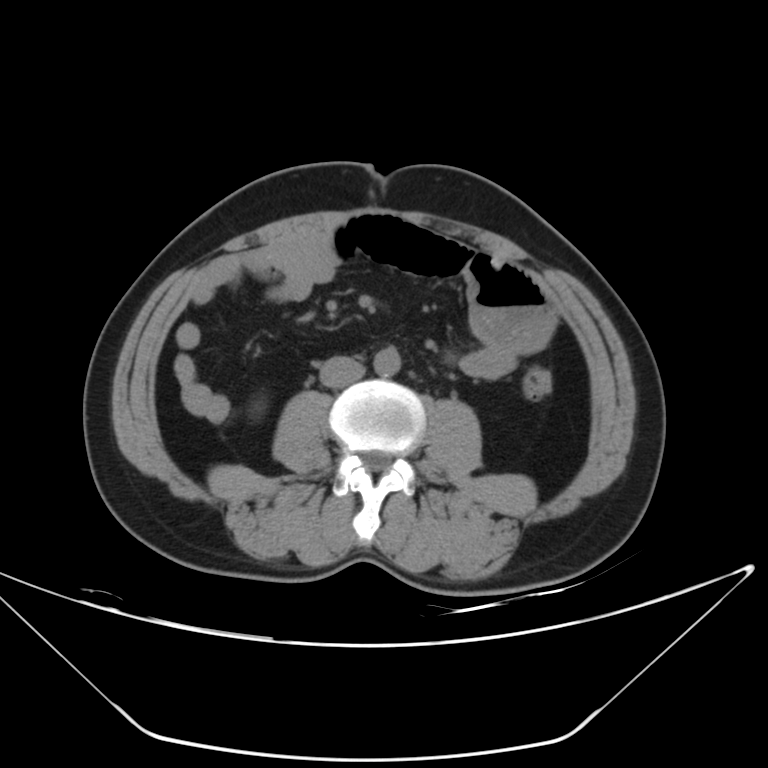
CT abdomen — axial view — abdomen soft-tissue window
Bounding boxes as [x1, y1, x2, y2] in pixel coordinates.
right kidney: [255, 405, 260, 410]
aorta: [374, 347, 401, 376]
inferior vena cava: [320, 356, 365, 387]